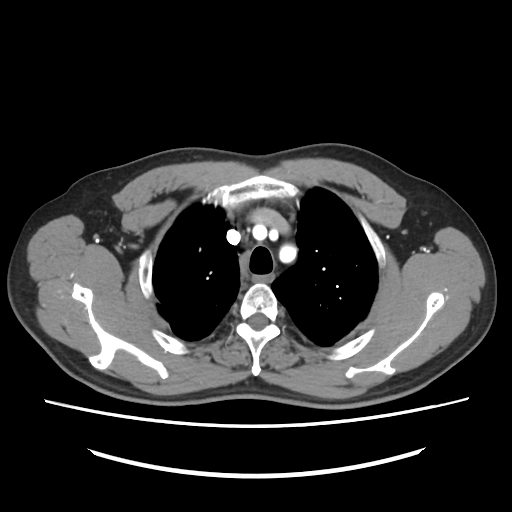

Chest-level CT slice, above the liver and spleen. axial view. W/L 400/40 HU. 512x512 px. scan has 15 labeled organs (a whole-scan count: organs this slice does not pass through have no box)
At this level of the chest this dataset labels only the esophagus and the aorta, and each is boxed only where it is labeled; the heart and lungs are never labeled. Boxes: x1:y1:x2:y2 in pixels. 2 labeled organs on this slice — esophagus at 252:275:274:282; aorta at 280:246:295:257.